Abdominal CT. axial plane, index 27. 512x512 px. acquired on SOMATOM Force. scan has 15 labeled organs (that count is for the whole scan; organs this slice misses have no box)
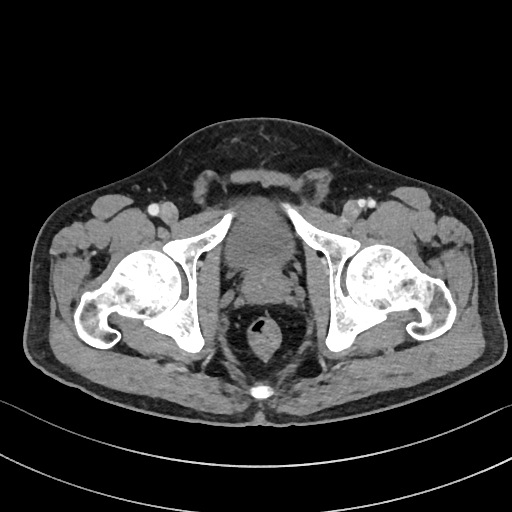
Boxes are (x1, y1, x2, y2) in pixels.
bladder: (224, 195, 294, 271)
prostate/uterus: (243, 270, 286, 302)